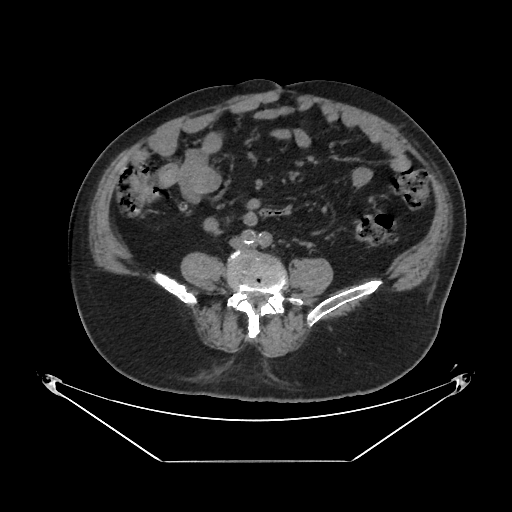
Abdominal CT; axial view; acquired on SOMATOM Force
Boxes: x1:y1:x2:y2 in pixels.
Organ bounding boxes:
- inferior vena cava: 230:237:245:248